CT, abdomen/pelvis; axial view; 512x512 px; SOMATOM Force scanner
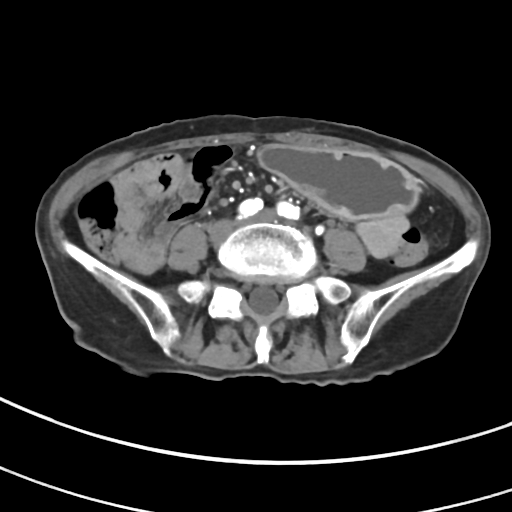
Each box given as x1,y1,x2,y2. The annotated organs in this slice are: stomach at x1=260, y1=144, x2=418, y2=220.